CT abdomen; axial view; W/L 400/40 HU; 512x512 px; 54-year-old female patient
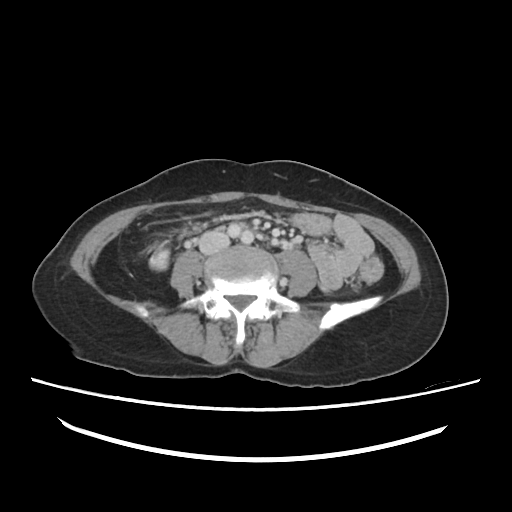 Boxes: x1 y1 x2 y2 (pixel coords, space-separated).
right kidney: 148 249 171 269
inferior vena cava: 199 230 229 253